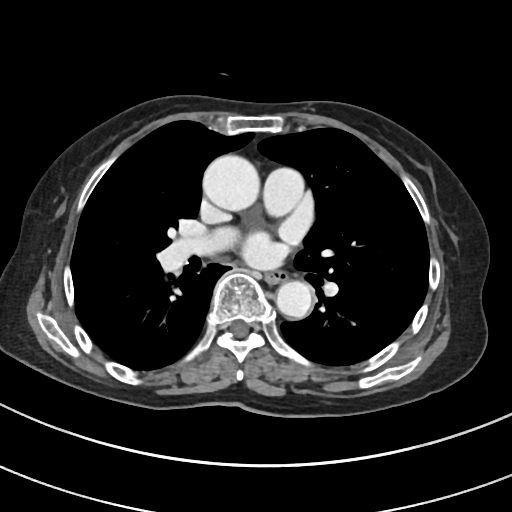 Abdominal CT reaching into the chest; this slice is in the chest; axial view; soft-tissue window
At this level of the chest this dataset labels only the esophagus and the aorta, and each is boxed only where it is labeled; the heart and lungs are never labeled.
Boxes are (x1, y1, x2, y2) in pixels.
esophagus: (264, 270, 287, 283)
aorta: (202, 154, 259, 210)
aorta: (275, 281, 312, 319)